Abdominal CT; this slice is in the lower chest, just above the liver. axial view. soft-tissue window (W 400 / L 40). 512x512 px. SOMATOM Force scanner
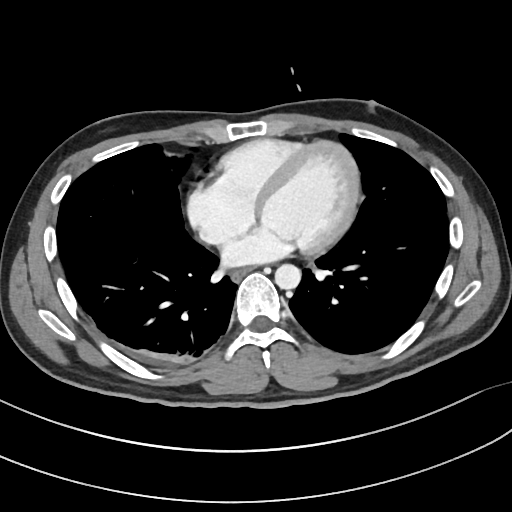 Of the structures in the chest, this dataset labels only the esophagus, the aorta and the inferior vena cava; the heart and lungs have no label. Box edges are left/top/right/bottom in pixels. The annotated organs in this slice are: esophagus at left=232, top=270, right=246, bottom=282, aorta at left=275, top=264, right=301, bottom=289.